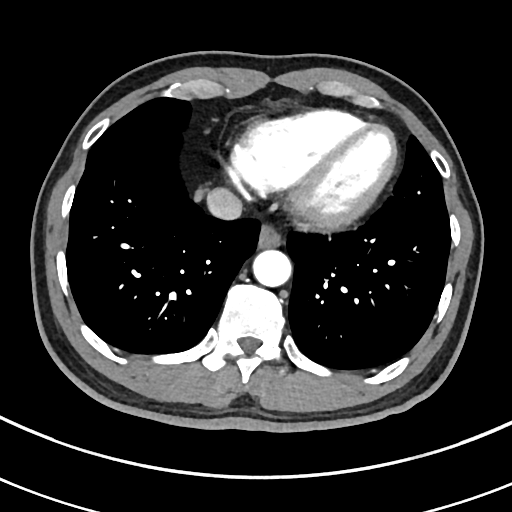

Abdominal CT; this slice is in the lower chest, just above the liver — axial view — soft-tissue window (W 400 / L 40) — 15 organs annotated in this scan (that count is for the whole scan; organs this slice misses have no box)
No part of the heart or lungs is labeled in this dataset, so neither has a box here.
Boxes are (x1, y1, x2, y2) in pixels.
esophagus: (256, 225, 280, 249)
aorta: (253, 249, 292, 287)
inferior vena cava: (206, 188, 242, 220)